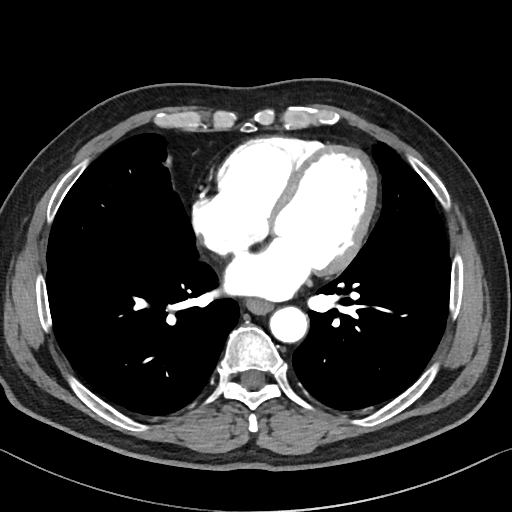

Lower-chest slice from an abdominal CT, just above the liver and spleen. axial view. soft-tissue window. 512x512 px
Of the structures in the chest, this dataset labels only the esophagus, the aorta and the inferior vena cava; the heart and lungs have no label.
Bounding boxes in pixels, one row per box: x1, y1 is the top-left corner and x2, y2 the bottom-right.
| organ | x1 | y1 | x2 | y2 |
|---|---|---|---|---|
| esophagus | 245 | 300 | 272 | 315 |
| aorta | 269 | 307 | 308 | 343 |